CT of the abdomen reaching into the lower chest, slice just above the liver and spleen. Axial slice 213/218. 512x512 px
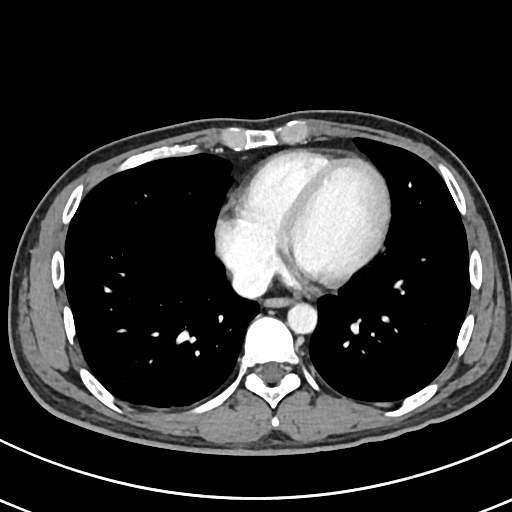 Of the structures in the chest, this dataset labels only the esophagus, the aorta and the inferior vena cava; the heart and lungs have no label.
Boxes: x1 y1 x2 y2 (pixel coords, space-separated).
esophagus: 265 297 292 306
aorta: 287 303 316 333
inferior vena cava: 232 265 271 298